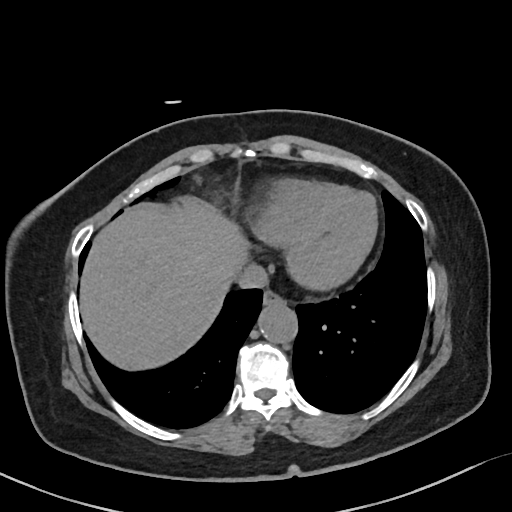

Computed tomography, abdomen; axial view; W/L 400/40 HU
Bounding boxes as [x1, y1, x2, y2] in pixel coordinates. Labeled organs on this slice: esophagus at [264, 289, 283, 303], liver at [78, 207, 247, 369], aorta at [257, 302, 296, 341], inferior vena cava at [236, 264, 270, 289].